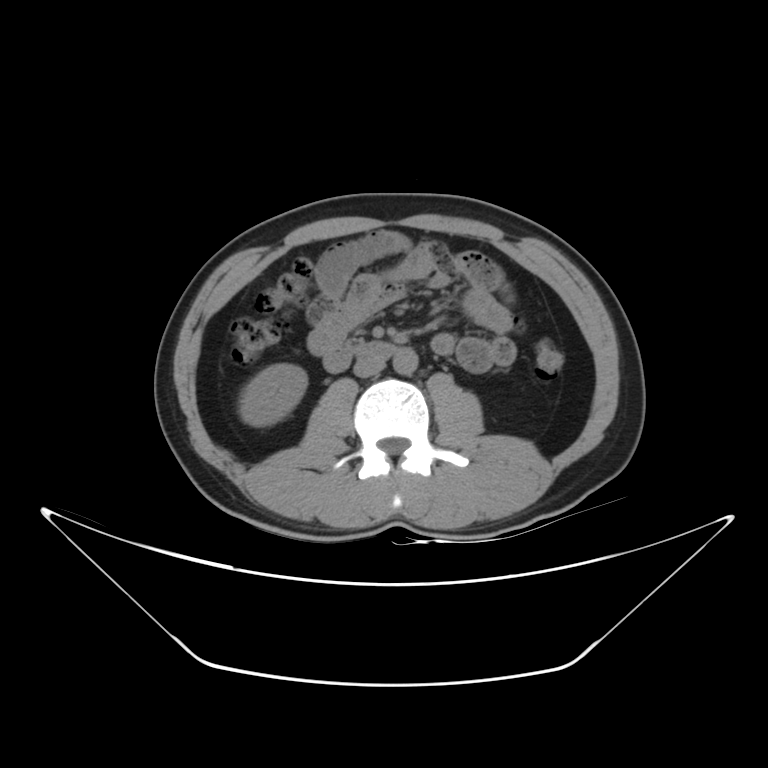
CT, abdomen/pelvis · Axial slice 59/96 · scan has 15 labeled organs (counted over the whole 3D scan, not this slice; an organ is boxed only where this slice passes through it)
<organs><organ name="right kidney" x1="238" y1="364" x2="307" y2="425"/><organ name="aorta" x1="392" y1="348" x2="417" y2="375"/><organ name="inferior vena cava" x1="353" y1="356" x2="385" y2="377"/><organ name="duodenum" x1="324" y1="340" x2="398" y2="372"/></organs>